Abdominal MRI — coronal view — 1st–99th percentile window — 320x320 px
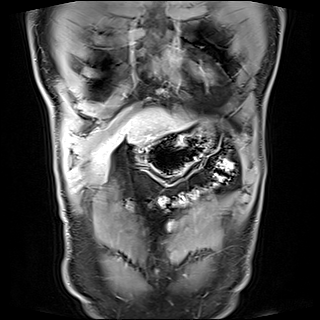
Boxes: x1 y1 x2 y2 (pixel coords, space-separated).
Organ bounding boxes:
- gall bladder: 108 155 112 166
- liver: 92 108 188 172
- stomach: 136 126 213 176